Chest-level slice from an abdominal CT that extends up into the chest — axial plane, index 109 — W/L 400/40 HU — Aquilion ONE scanner — 15 organs annotated in this scan (a whole-scan count: organs this slice does not pass through have no box)
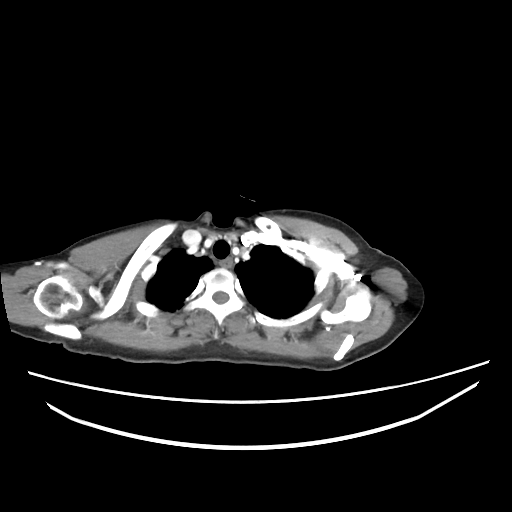

At this level of the chest no structure but the esophagus and the aorta has a label in this dataset, and those two are boxed only where they are labeled.
{"organs":{"esophagus":[219,258,232,267]}}